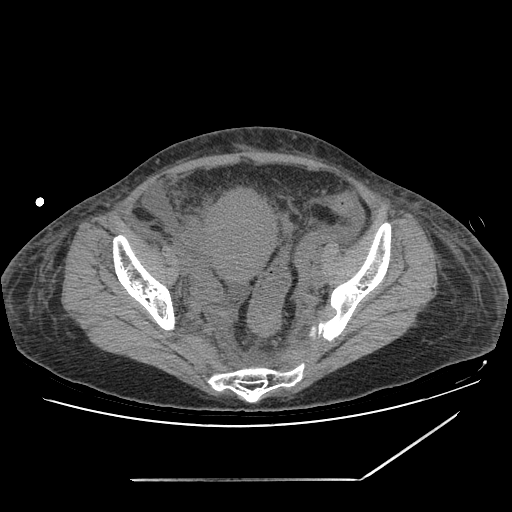
CT, abdomen/pelvis · axial view
Each box given as x1,y1,x2,y2.
duodenum: x1=263, y1=243, x2=266, y2=253
prostate/uterus: x1=205, y1=187, x2=278, y2=280